Lower-chest slice from an abdominal CT, just above the liver and spleen — axial view — soft-tissue window — 62-year-old male patient — acquired on Brilliance16
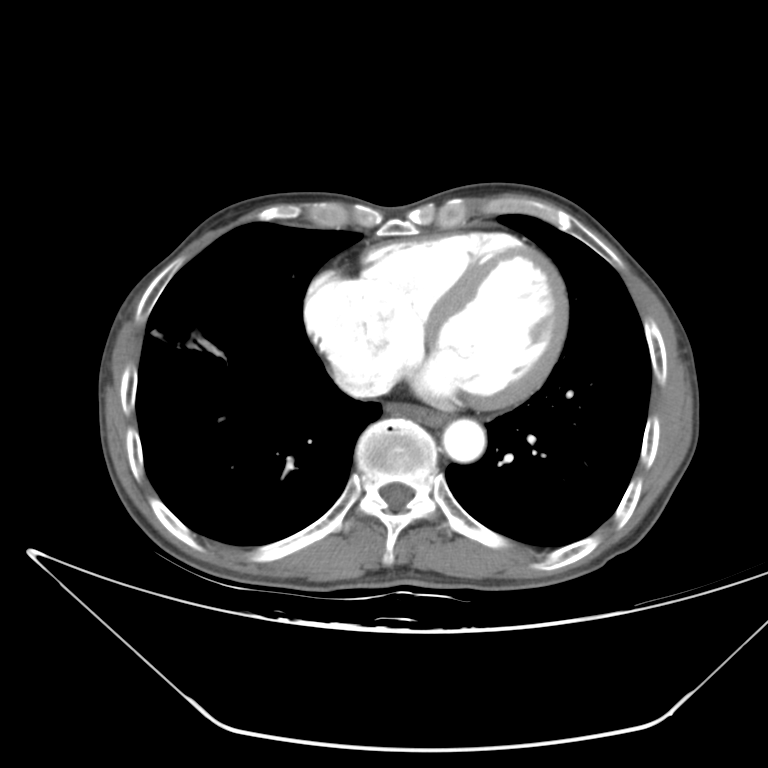
The heart and lungs are never labeled in this dataset, so they have no box on this slice.
Coordinates as <box>x1,y1,x2,y2</box> in pixels.
esophagus: <box>386,402,445,424</box>
aorta: <box>442,418,485,462</box>
inferior vena cava: <box>333,364,389,398</box>